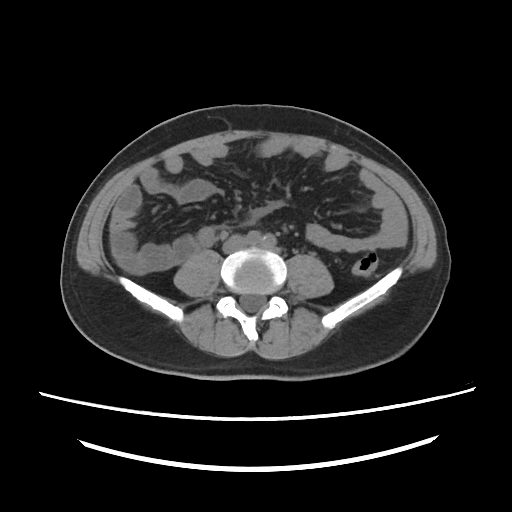 Computed tomography, abdomen. Axial slice 40/87. soft-tissue window (W 400 / L 40). 49-year-old male patient
One row per box, in pixels: columns x1 and y1 give the top-left corner, x2 and y2 the bottom-right.
| organ | x1 | y1 | x2 | y2 |
|---|---|---|---|---|
| inferior vena cava | 224 | 236 | 246 | 251 |